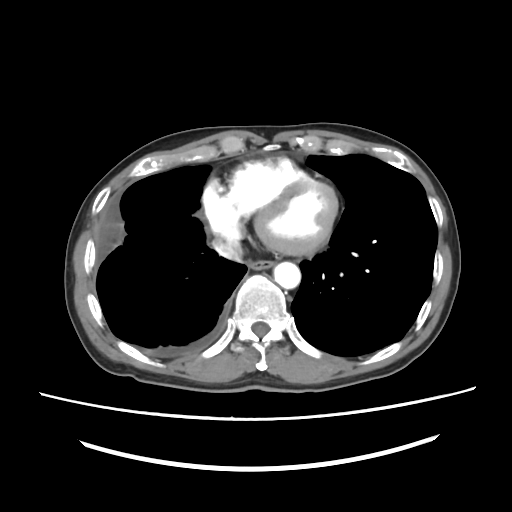
Lower-chest slice from an abdominal CT, just above the liver and spleen; axial plane, index 85; soft-tissue window, W/L 400/40; 512x512 px
The heart and lungs are never labeled in this dataset, so they have no box on this slice.
One row per box, in pixels: columns x1 and y1 give the top-left corner, x2 and y2 the bottom-right.
| organ | x1 | y1 | x2 | y2 |
|---|---|---|---|---|
| esophagus | 248 | 260 | 274 | 269 |
| aorta | 273 | 262 | 300 | 289 |
| inferior vena cava | 212 | 236 | 243 | 261 |